CT, abdomen/pelvis; axial view
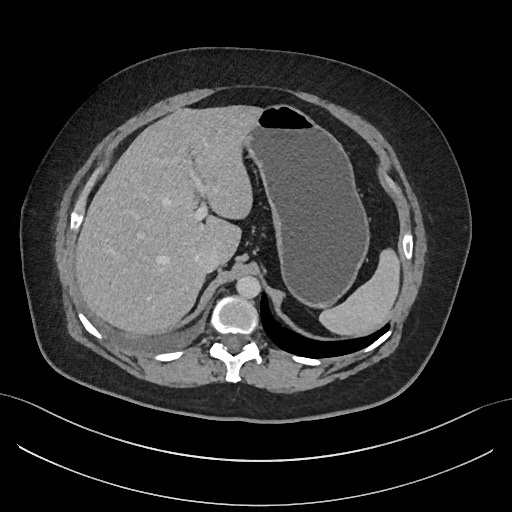 Boxes: x1:y1:x2:y2 in pixels.
inferior vena cava: 194:248:220:273
liver: 74:105:260:335
aorta: 236:276:260:298
spleen: 319:248:399:335
stomach: 244:104:369:307